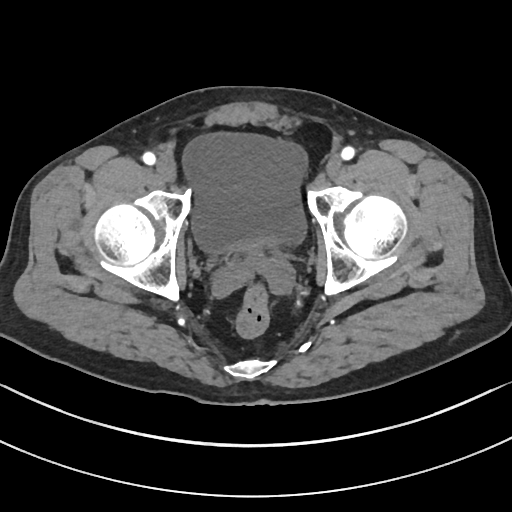
Abdominal CT · axial plane, index 27 · acquired on SOMATOM Force
Boxes are (x1, y1, x2, y2) in pixels. 1 labeled organ on this slice — bladder at (182, 131, 309, 257).